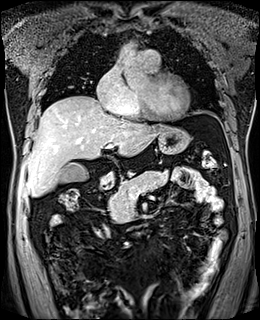
Abdominal MR · Coronal slice 87/144
One row per box, in pixels: columns x1 and y1 give the top-left corner, x2 and y2 the bottom-right.
| organ | x1 | y1 | x2 | y2 |
|---|---|---|---|---|
| aorta | 121 | 42 | 137 | 48 |
| liver | 26 | 95 | 166 | 196 |
| duodenum | 101 | 182 | 114 | 189 |
| stomach | 99 | 127 | 190 | 185 |
| gall bladder | 59 | 162 | 89 | 183 |
| pancreas | 108 | 170 | 168 | 223 |